Abdominal CT reaching into the chest; this slice is in the chest · axial view · W/L 400/40 HU
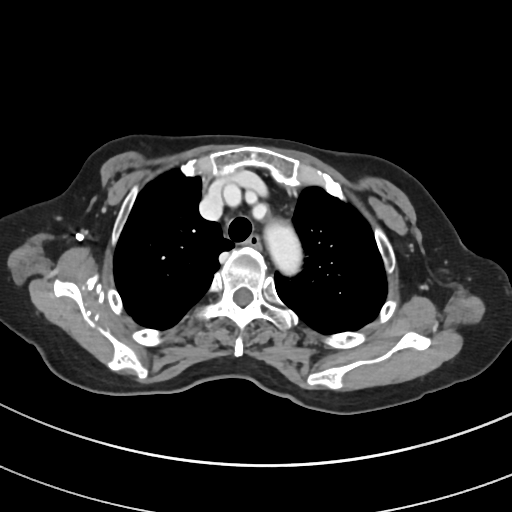 On a slice this high in the chest, this dataset labels only the esophagus and the aorta, and each is boxed only where it is labeled; the heart, lungs and other chest structures are not labeled.
Bounding boxes in pixels, one row per box: x1, y1 is the top-left corner and x2, y2 the bottom-right.
| organ | x1 | y1 | x2 | y2 |
|---|---|---|---|---|
| esophagus | 245 | 236 | 261 | 248 |
| aorta | 260 | 215 | 305 | 281 |